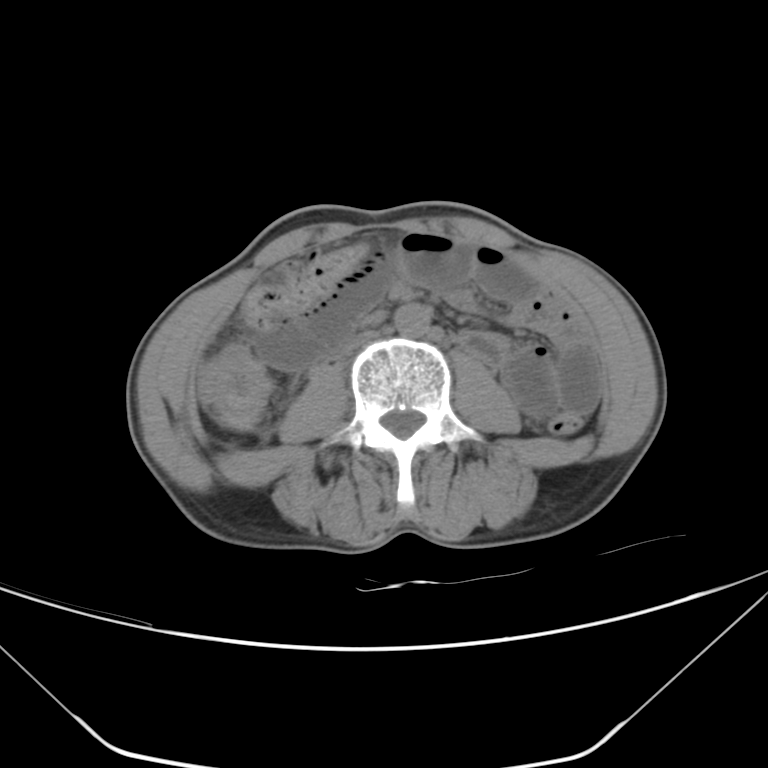
CT, abdomen/pelvis; Axial slice 47/85; soft-tissue window (W 400 / L 40); Brilliance16 scanner
<organs><organ name="inferior vena cava" x1="335" y1="330" x2="385" y2="356"/><organ name="aorta" x1="394" y1="304" x2="430" y2="336"/></organs>